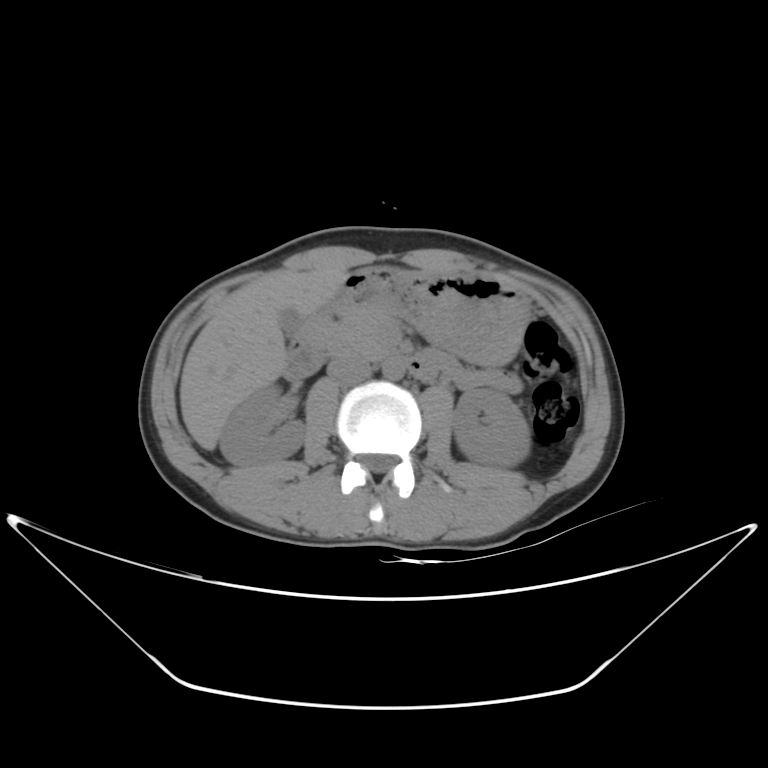 CT abdomen; axial view; soft-tissue window (W 400 / L 40); Brilliance16 scanner; 15 organs annotated in this scan (that count is for the whole scan; organs this slice misses have no box)
One row per box, in pixels: columns x1 and y1 give the top-left corner, x2 and y2 the bottom-right.
| organ | x1 | y1 | x2 | y2 |
|---|---|---|---|---|
| right kidney | 219 | 385 | 306 | 466 |
| left kidney | 452 | 388 | 531 | 467 |
| gall bladder | 279 | 308 | 303 | 338 |
| liver | 180 | 266 | 348 | 449 |
| stomach | 333 | 269 | 529 | 365 |
| aorta | 383 | 357 | 406 | 380 |
| inferior vena cava | 326 | 354 | 370 | 384 |
| pancreas | 304 | 304 | 394 | 355 |
| duodenum | 283 | 303 | 443 | 382 |